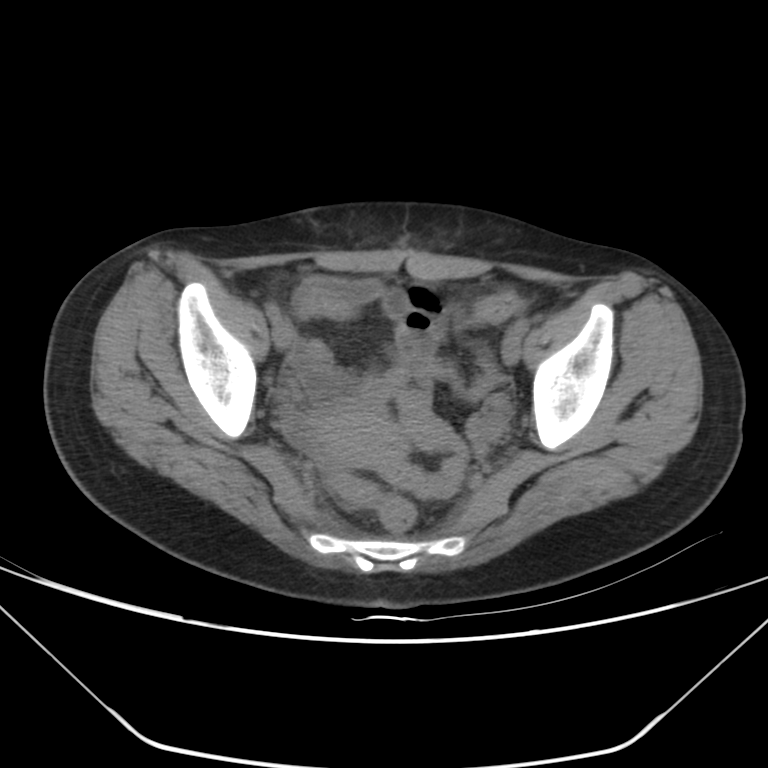
Computed tomography, abdomen; axial plane, index 19; 32-year-old female patient; Brilliance16 scanner
{"organs":{"prostate/uterus":[308,405,407,468]}}